Abdominal CT · axial view · abdomen soft-tissue window · 512x512 px
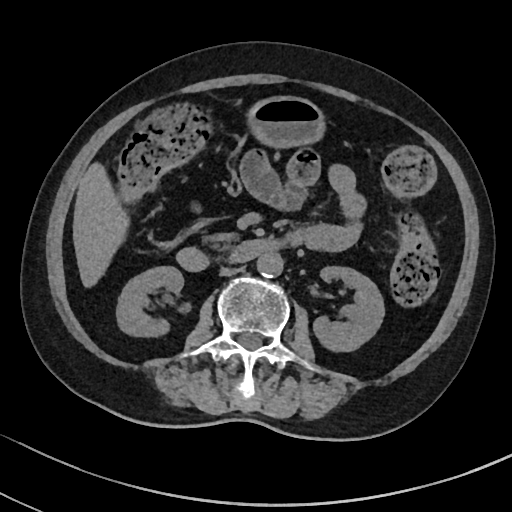 Bounding boxes as [x1, y1, x2, y2] in pixel coordinates.
Organ bounding boxes:
- pancreas: [211, 232, 229, 241]
- left kidney: [313, 266, 384, 351]
- aorta: [257, 252, 283, 277]
- stomach: [247, 96, 325, 147]
- right kidney: [116, 266, 183, 336]
- inferior vena cava: [219, 267, 239, 276]
- duodenum: [176, 231, 304, 271]
- liver: [73, 163, 129, 287]